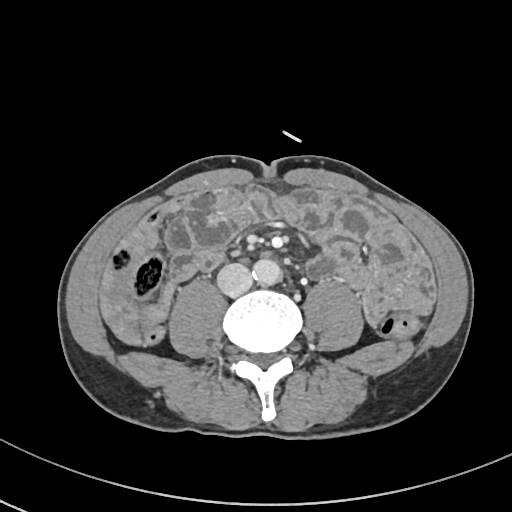
Computed tomography, abdomen; axial view; soft-tissue window; acquired on SOMATOM Force
Boxes: x1:y1:x2:y2 in pixels. The annotated organs in this slice are: aorta at 252:259:281:285, inferior vena cava at 216:263:252:296.